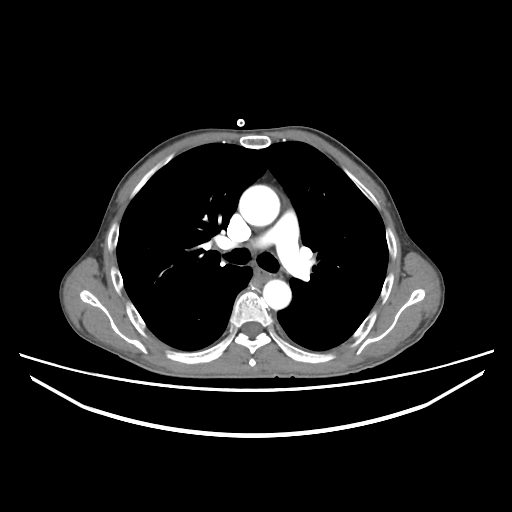 CT of the abdomen extending into the chest, slice through the chest; axial view; W/L 400/40 HU
On a slice this high in the chest, this dataset labels only the esophagus and the aorta, and each is boxed only where it is labeled; the heart, lungs and other chest structures are not labeled.
Box edges are left/top/right/bottom in pixels.
Organ bounding boxes:
- esophagus: left=255, top=268, right=273, bottom=282
- aorta: left=239, top=185, right=279, bottom=226
- aorta: left=263, top=279, right=291, bottom=309